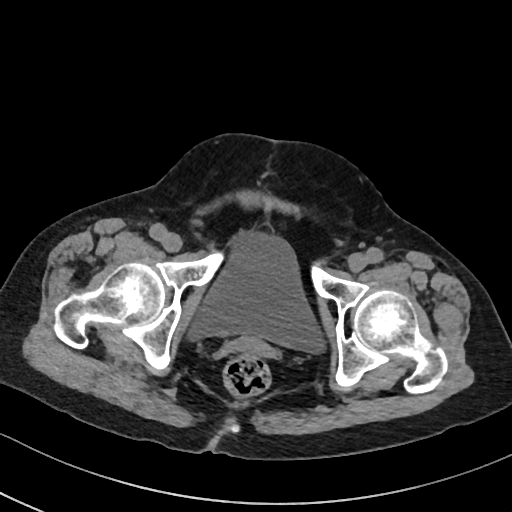 CT, abdomen/pelvis · Axial slice 36/202 · abdomen soft-tissue window · acquired on SOMATOM Force · scan has 15 labeled organs (counted over the whole 3D scan, not this slice; an organ is boxed only where this slice passes through it)
{"organs":{"bladder":[188,230,325,352],"prostate/uterus":[226,336,270,358]}}